Computed tomography, abdomen · Axial slice 49/95 · acquired on Brilliance16
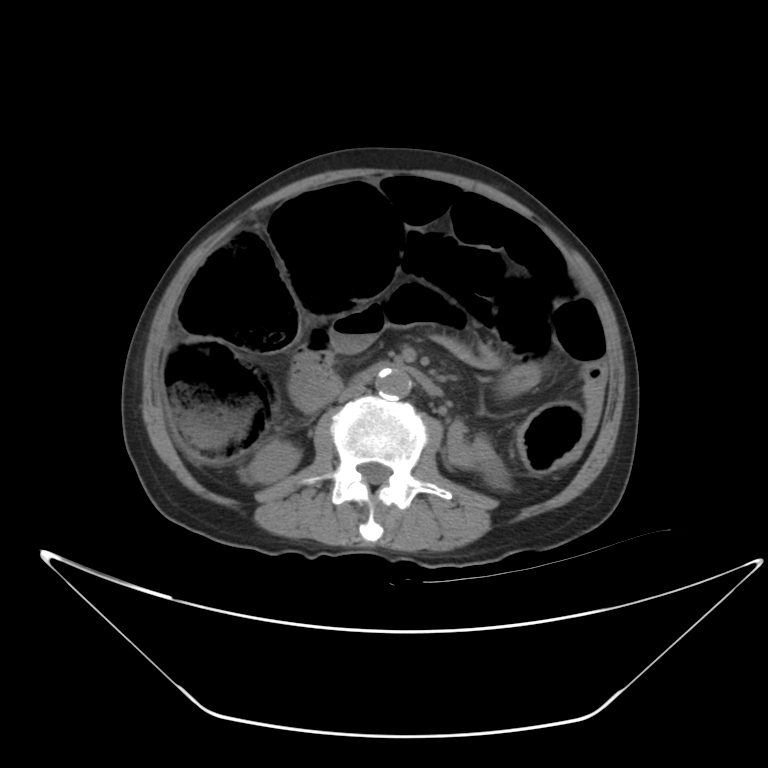 {"organs":{"inferior vena cava":[338,384,366,402],"duodenum":[356,361,441,395],"right kidney":[242,440,300,483],"left kidney":[484,466,509,488],"aorta":[376,370,411,399]}}